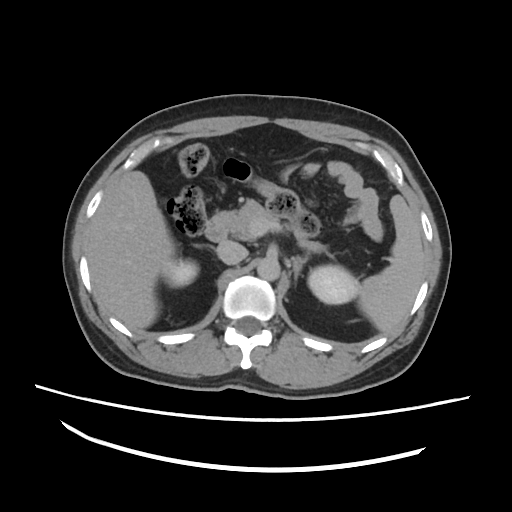
Abdominal CT. axial view. Aquilion ONE scanner
Coordinates as <box>x1,y1,x2,y2</box> in pixels.
spleen: <box>354,194,426,335</box>
right kidney: <box>165,259,198,287</box>
left kidney: <box>308,265,357,304</box>
liver: <box>88,169,175,329</box>
aorta: <box>257,255,279,279</box>
inferior vena cava: <box>216,240,248,264</box>
pancreas: <box>212,198,334,258</box>
left adrenal gland: <box>287,255,304,281</box>
duodenum: <box>204,222,227,241</box>